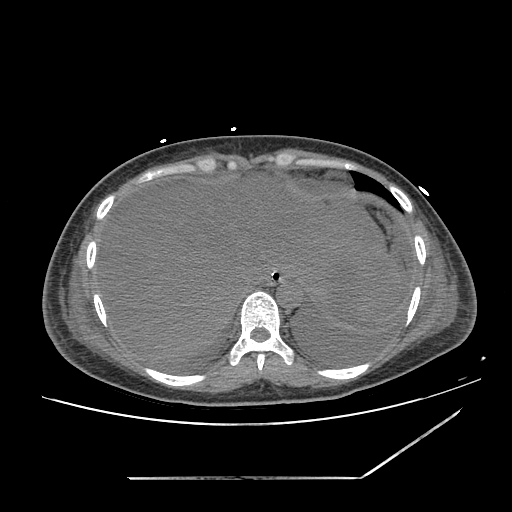

Abdominal CT · axial view · SOMATOM Force scanner
Boxes: x1 y1 x2 y2 (pixel coords, space-separated).
aorta: 276 280 302 306
esophagus: 262 268 287 284
inferior vena cava: 232 269 261 295
liver: 96 170 402 363
stomach: 280 280 295 282